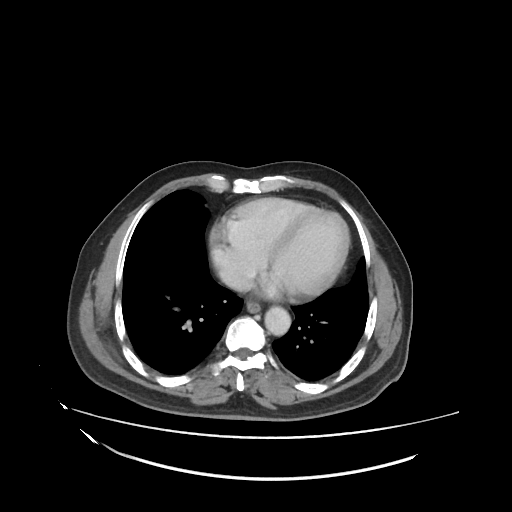 Lower-chest slice from an abdominal CT, just above the liver and spleen — axial view — 512x512 px — scan has 15 labeled organs (a whole-scan count: organs this slice does not pass through have no box)
The heart and lungs are never labeled in this dataset, so they have no box on this slice.
{"organs":{"esophagus":[247,303,259,312],"aorta":[265,306,290,335],"inferior vena cava":[222,266,251,290]}}